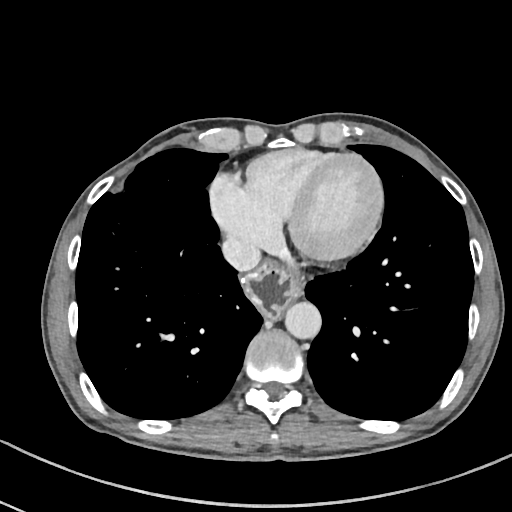 Lower-chest slice from an abdominal CT, just above the liver and spleen — axial plane, index 203 — 512x512 px — acquired on SOMATOM Force — scan has 15 labeled organs (counted over the whole 3D scan, not this slice; an organ is boxed only where this slice passes through it)
No part of the heart or lungs is labeled in this dataset, so neither has a box here.
Coordinates as <box>x1,y1,x2,y2</box> in pixels.
Organ bounding boxes:
- esophagus: <box>243,261,301,319</box>
- aorta: <box>285,302,321,339</box>
- inferior vena cava: <box>222,236,262,271</box>